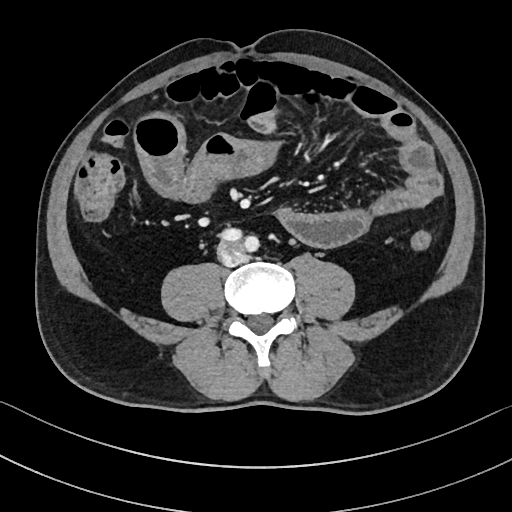
CT abdomen · axial view · W/L 400/40 HU · scan has 15 labeled organs (counted over the whole 3D scan, not this slice; an organ is boxed only where this slice passes through it)
Box edges are left/top/right/bottom in pixels.
Organ bounding boxes:
- inferior vena cava: left=219, top=241, right=246, bottom=265